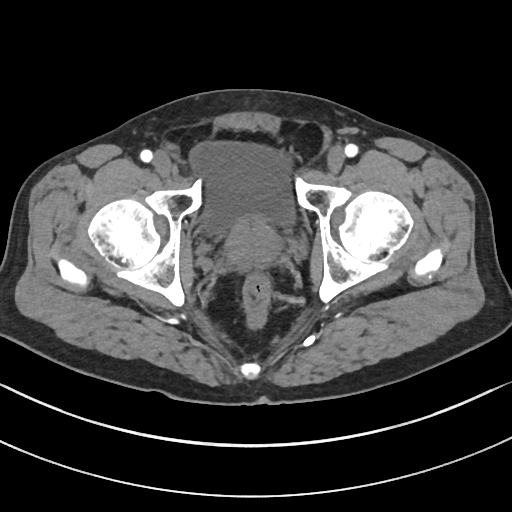

Computed tomography, abdomen — axial view — soft-tissue window (W 400 / L 40) — scan has 15 labeled organs (a whole-scan count: organs this slice does not pass through have no box)
Each box given as x1,y1,x2,y2. Labeled organs on this slice: bladder at x1=190, y1=142, x2=294, y2=233, prostate/uterus at x1=225, y1=219, x2=281, y2=266.